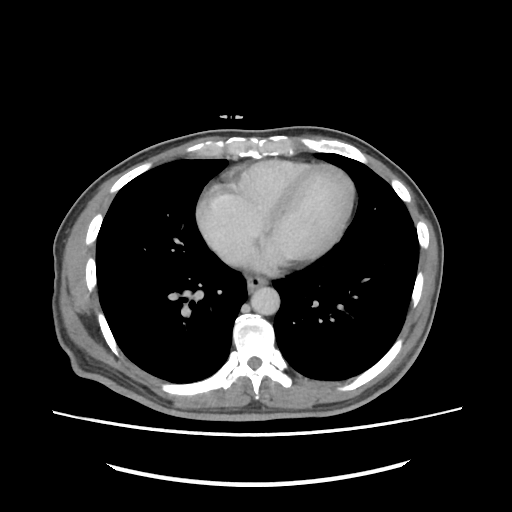

Lower-chest slice from an abdominal CT, just above the liver and spleen; axial view; 54-year-old male patient; scan has 15 labeled organs (a whole-scan count: organs this slice does not pass through have no box)
Of the structures in the chest, this dataset labels only the esophagus, the aorta and the inferior vena cava; the heart and lungs have no label.
<organs><organ name="esophagus" x1="247" y1="276" x2="267" y2="290"/><organ name="aorta" x1="251" y1="287" x2="279" y2="315"/><organ name="inferior vena cava" x1="222" y1="250" x2="236" y2="263"/></organs>